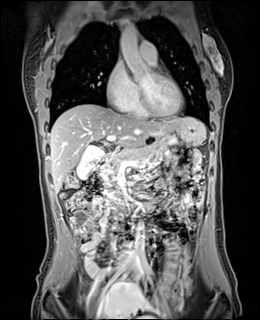

MRI, abdomen; Coronal slice 86/144; 1st–99th percentile window; 260x320 px
Box edges are left/top/right/bottom in pixels. The annotated organs in this slice are: gall bladder at left=77, top=145, right=103, bottom=179, liver at left=49, top=104, right=205, bottom=192, stomach at left=176, top=124, right=203, bottom=145, aorta at left=120, top=25, right=151, bottom=78, aorta at left=134, top=223, right=144, bottom=250, pancreas at left=102, top=146, right=155, bottom=182, duodenum at left=101, top=155, right=129, bottom=196.